CT of the abdomen extending into the chest, slice through the chest; Axial slice 118/120; 512x512 px
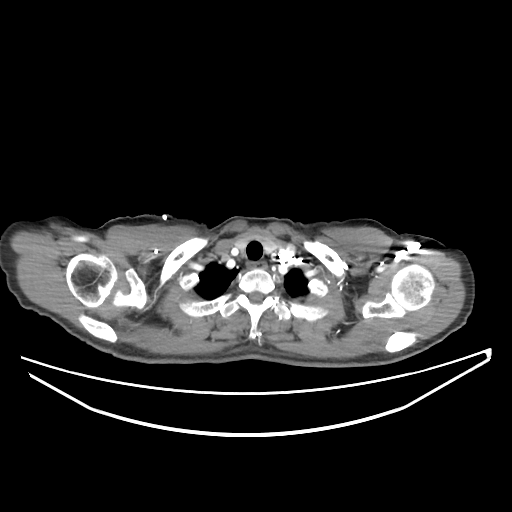 On a slice this high in the chest, this dataset labels only the esophagus and the aorta, and each is boxed only where it is labeled; the heart, lungs and other chest structures are not labeled.
Bounding boxes as [x1, y1, x2, y2] in pixel coordinates.
Organ bounding boxes:
- esophagus: [248, 262, 267, 269]